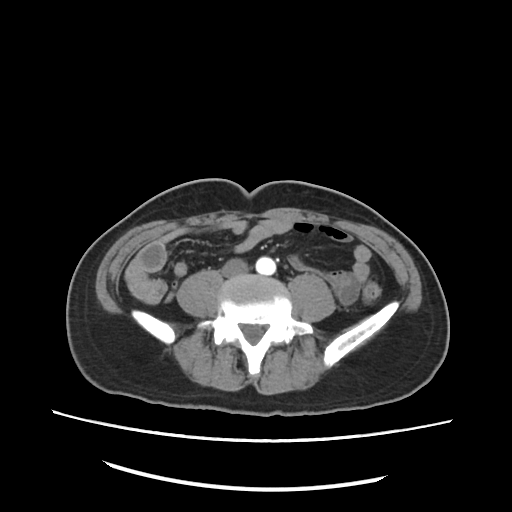
CT, abdomen/pelvis — axial view — 512x512 px — 54-year-old male patient
Each box given as x1,y1,x2,y2.
aorta: x1=256, y1=258, x2=276, y2=274
inferior vena cava: x1=219, y1=259, x2=247, y2=278